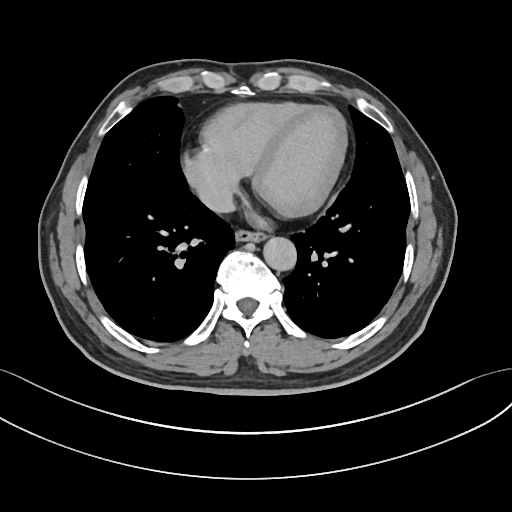
Lower-chest slice from an abdominal CT, just above the liver and spleen. axial view. 512x512 px
Of the structures in the chest, this dataset labels only the esophagus, the aorta and the inferior vena cava; the heart and lungs have no label.
Box edges are left/top/right/bottom in pixels.
esophagus: left=235, top=228, right=265, bottom=240
aorta: left=262, top=235, right=296, bottom=269
inferior vena cava: left=199, top=184, right=235, bottom=213